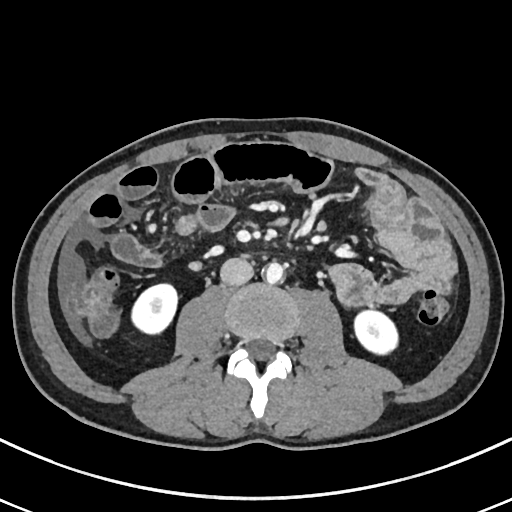
CT abdomen · axial view
Bounding boxes as [x1, y1, x2, y2] in pixel coordinates.
aorta: [265, 262, 283, 283]
inferior vena cava: [220, 258, 253, 285]
left kidney: [354, 311, 397, 354]
right kidney: [131, 284, 177, 334]